Abdominal CT; axial view
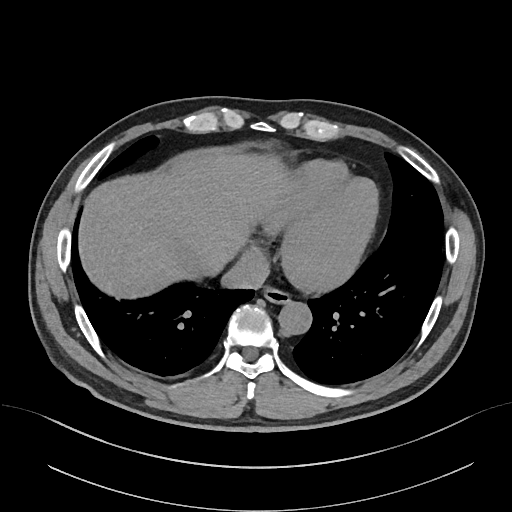
Bounding boxes in pixels, one row per box: x1, y1 is the top-left corner and x2, y2 the bottom-right.
| organ | x1 | y1 | x2 | y2 |
|---|---|---|---|---|
| esophagus | 263 | 289 | 289 | 304 |
| liver | 78 | 154 | 295 | 298 |
| aorta | 278 | 302 | 311 | 335 |
| inferior vena cava | 222 | 246 | 269 | 287 |